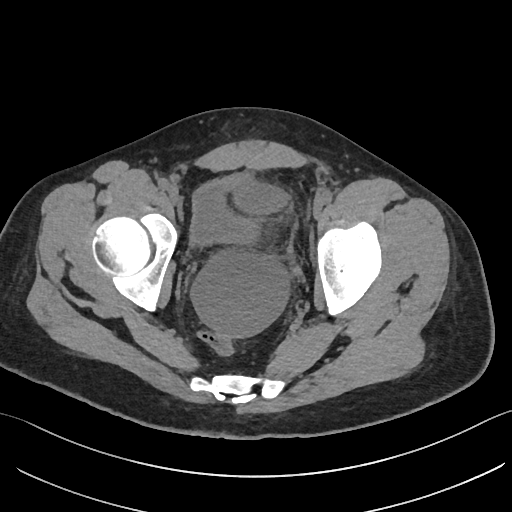

CT abdomen · axial view · W/L 400/40 HU
Coordinates as <box>x1,y1,x2,y2</box> in pixels.
bladder: <box>190,173,257,244</box>